Abdominal CT reaching into the chest; this slice is in the chest. axial view. W/L 400/40 HU. 15 organs annotated in this scan (a whole-scan count: organs this slice does not pass through have no box)
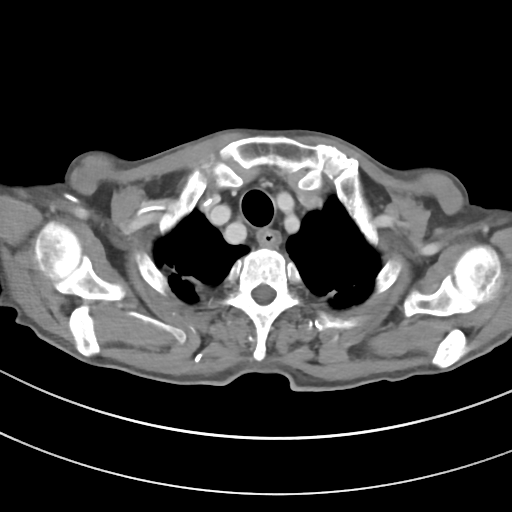
At this level of the chest this dataset labels only the esophagus and the aorta, and each is boxed only where it is labeled; the heart and lungs are never labeled.
Boxes: x1:y1:x2:y2 in pixels.
Organ bounding boxes:
- esophagus: 258:229:280:245